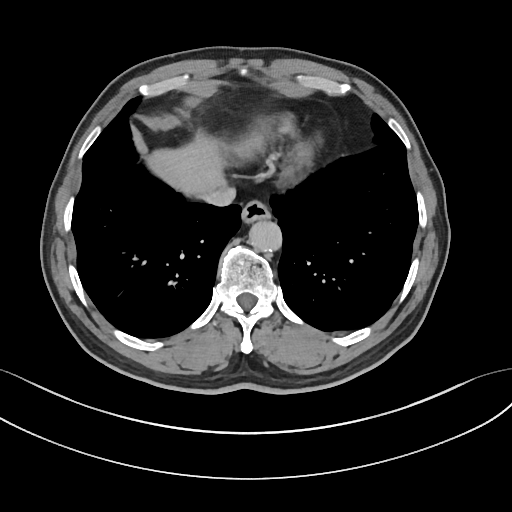
CT, abdomen/pelvis; axial view
Bounding boxes as [x1, y1, x2, y2] in pixel coordinates.
Organ bounding boxes:
- esophagus: [242, 198, 270, 221]
- liver: [144, 132, 234, 199]
- aorta: [248, 219, 280, 251]
- inferior vena cava: [199, 186, 235, 205]